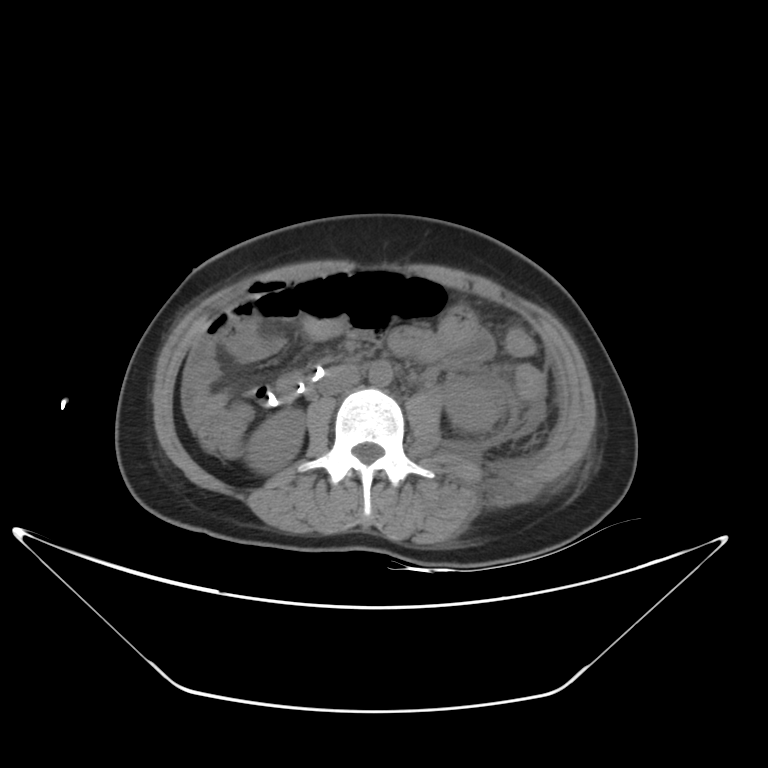

Computed tomography, abdomen · axial plane, index 55 · W/L 400/40 HU · Brilliance16 scanner
{"organs":{"duodenum":[244,370,323,408],"right kidney":[245,407,305,473],"inferior vena cava":[320,367,360,394],"aorta":[369,361,393,386],"left kidney":[444,375,502,432]}}